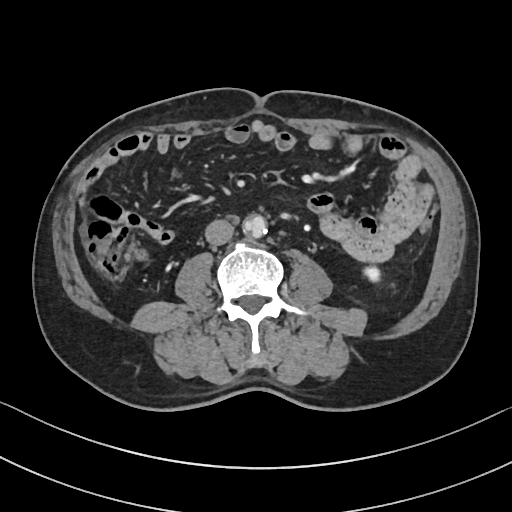 CT, abdomen/pelvis; axial view; abdomen soft-tissue window; 512x512 px; 14 organs annotated in this scan (counted over the whole 3D scan, not this slice; an organ is boxed only where this slice passes through it)
{"organs":{"left kidney":[364,267,380,281],"aorta":[243,215,267,237],"inferior vena cava":[205,219,233,245]}}